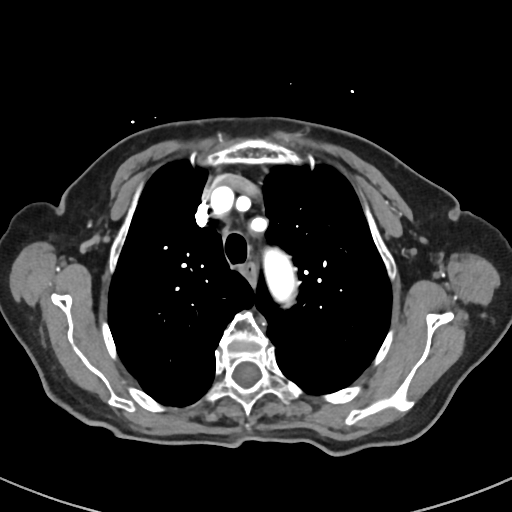
Chest-level CT slice, above the liver and spleen; axial plane, index 246; soft-tissue window, W/L 400/40; 512x512 px; SOMATOM Force scanner
At this level of the chest this dataset labels only the esophagus and the aorta, and each is boxed only where it is labeled; the heart and lungs are never labeled. Bounding boxes as [x1, y1, x2, y2] in pixel coordinates. 2 labeled organs on this slice — aorta at [264, 248, 297, 304]; esophagus at [241, 263, 255, 285].